Abdominal CT; axial plane, index 117
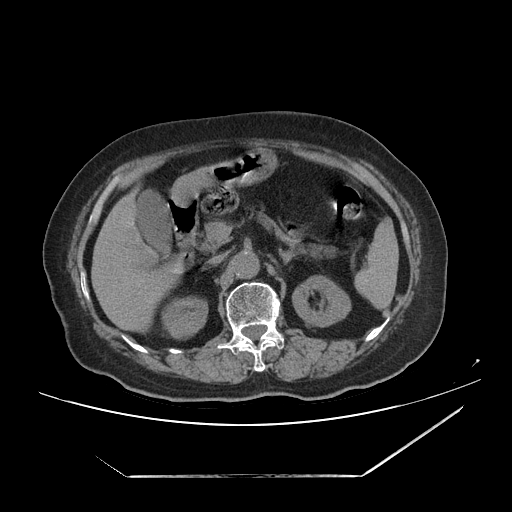
Bounding boxes as [x1, y1, x2, y2] in pixel coordinates.
Organ bounding boxes:
- spleen: [352, 217, 398, 309]
- right kidney: [165, 298, 207, 337]
- left kidney: [292, 276, 350, 327]
- gall bladder: [138, 191, 169, 250]
- liver: [90, 188, 188, 335]
- stomach: [172, 147, 281, 198]
- aorta: [230, 251, 260, 279]
- inferior vena cava: [207, 253, 225, 263]
- pancreas: [200, 212, 362, 261]
- left adrenal gland: [279, 249, 298, 265]
- duodenum: [166, 193, 200, 256]